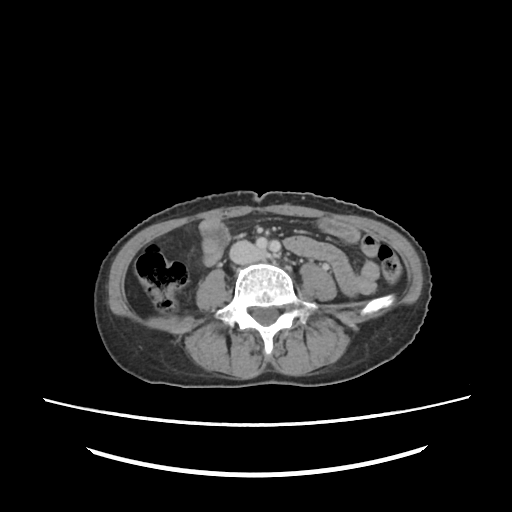
CT abdomen. Axial slice 48/92. 60-year-old female patient
Bounding boxes as [x1, y1, x2, y2] in pixel coordinates.
inferior vena cava: [230, 241, 262, 261]